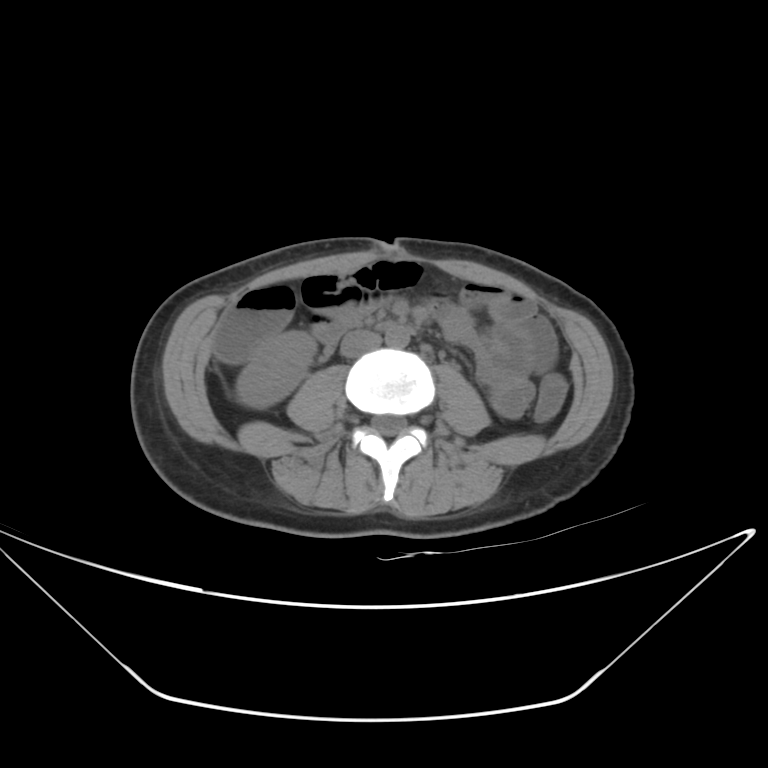 Abdominal CT — axial plane, index 51 — abdomen soft-tissue window
Each box given as x1,y1,x2,y2.
Organ bounding boxes:
- right kidney: x1=235, y1=331, x2=316, y2=408
- aorta: x1=385, y1=326, x2=409, y2=348
- inferior vena cava: x1=340, y1=330, x2=380, y2=357
- duodenum: x1=315, y1=324, x2=342, y2=340